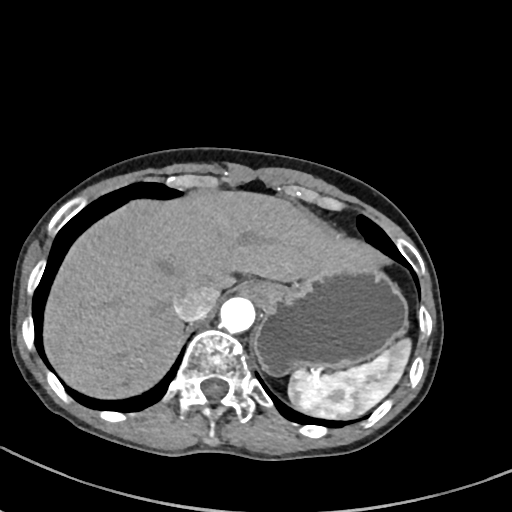 Abdominal CT; axial view
Boxes are (x1, y1, x2, y2) in pixels.
Organ bounding boxes:
- spleen: (288, 339, 410, 419)
- esophagus: (246, 283, 270, 299)
- liver: (44, 191, 392, 398)
- stomach: (255, 266, 407, 375)
- aorta: (220, 297, 255, 333)
- inferior vena cava: (176, 284, 219, 321)